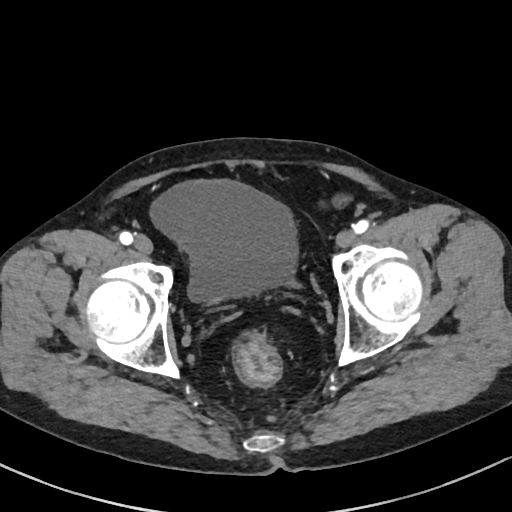

CT, abdomen/pelvis; Axial slice 42/303; 512x512 px
Boxes: x1:y1:x2:y2 in pixels.
Organ bounding boxes:
- bladder: 151:180:297:303